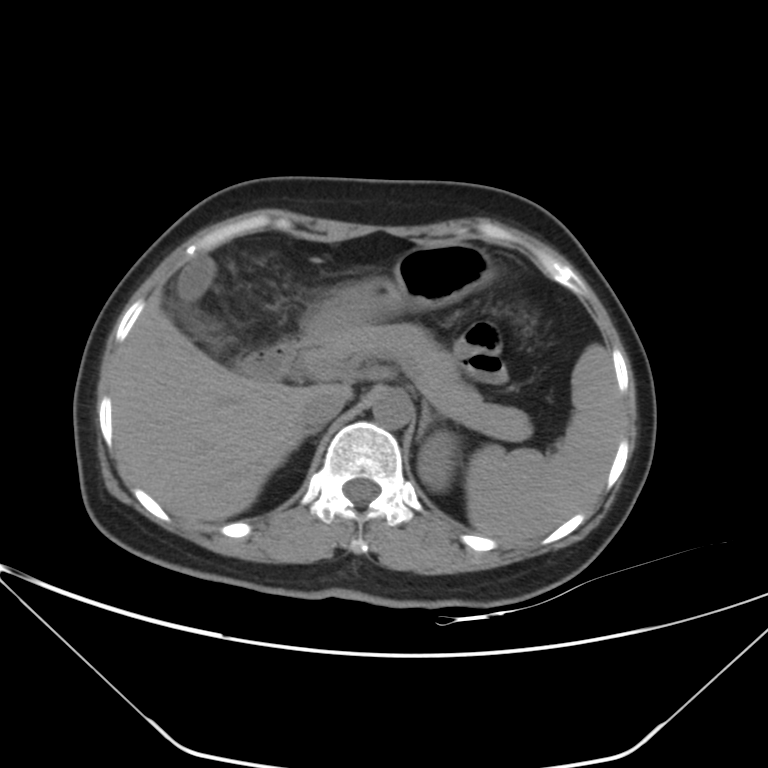

CT abdomen; axial view; 768x768 px; Brilliance16 scanner
Coordinates as <box>x1,y1,x2,y2</box> in pixels.
right adrenal gland: <box>296,428,318,448</box>
left adrenal gland: <box>417,401,440,440</box>
pancreas: <box>299,323,528,441</box>
liver: <box>112,293,352,521</box>
spleen: <box>464,343,621,540</box>
stomach: <box>304,242,496,337</box>
inferior vena cava: <box>301,386,345,429</box>
duodenum: <box>237,335,311,380</box>
aorta: <box>373,390,410,429</box>
left kidney: <box>417,431,457,492</box>
gall bladder: <box>176,257,216,297</box>